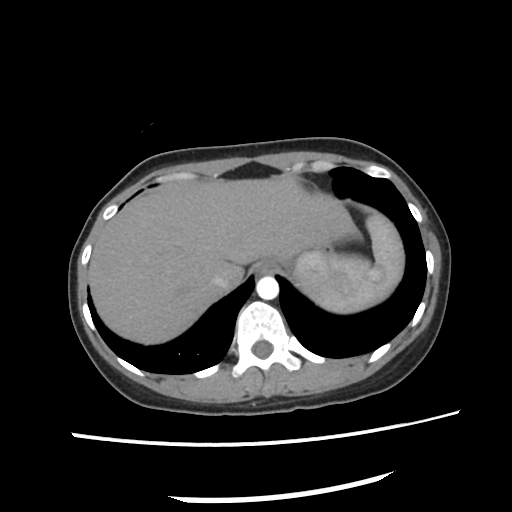
Computed tomography, abdomen · axial view · abdomen soft-tissue window
<organs><organ name="spleen" x1="294" y1="213" x2="402" y2="313"/><organ name="esophagus" x1="258" y1="259" x2="275" y2="274"/><organ name="liver" x1="87" y1="179" x2="362" y2="345"/><organ name="stomach" x1="276" y1="243" x2="332" y2="260"/><organ name="aorta" x1="256" y1="275" x2="278" y2="300"/><organ name="inferior vena cava" x1="209" y1="278" x2="231" y2="290"/></organs>